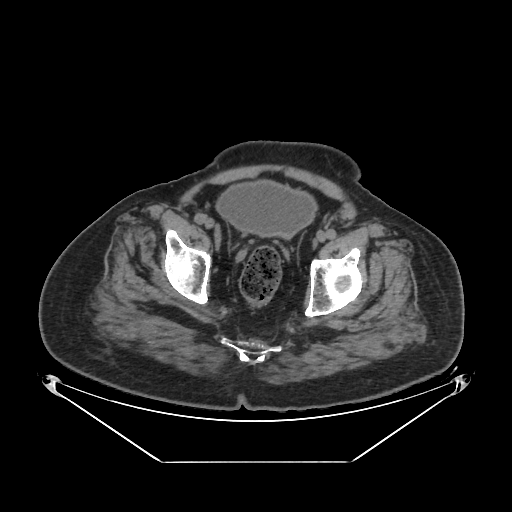
Computed tomography, abdomen · axial view · soft-tissue window
<organs><organ name="bladder" x1="216" y1="179" x2="318" y2="236"/></organs>